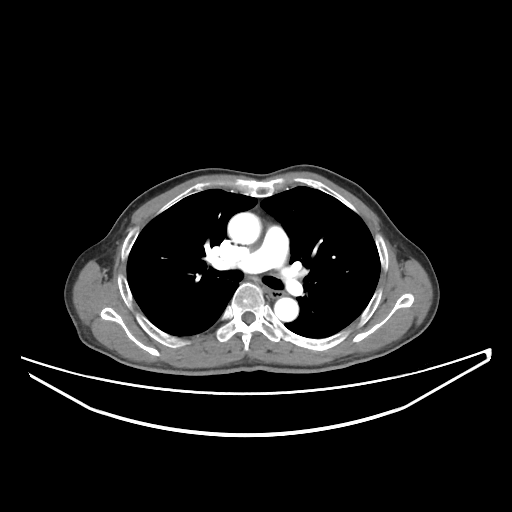 CT of the abdomen extending into the chest, slice through the chest; axial view; soft-tissue window, W/L 400/40
At this level of the chest no structure but the esophagus and the aorta has a label in this dataset, and those two are boxed only where they are labeled. Each box given as x1,y1,x2,y2. Labeled organs on this slice: esophagus at x1=265, y1=287, x2=287, y2=297, aorta at x1=228, y1=212, x2=261, y2=244, aorta at x1=274, y1=297, x2=298, y2=321.